Abdominal CT · axial plane, index 71 · 512x512 px · 68-year-old male patient
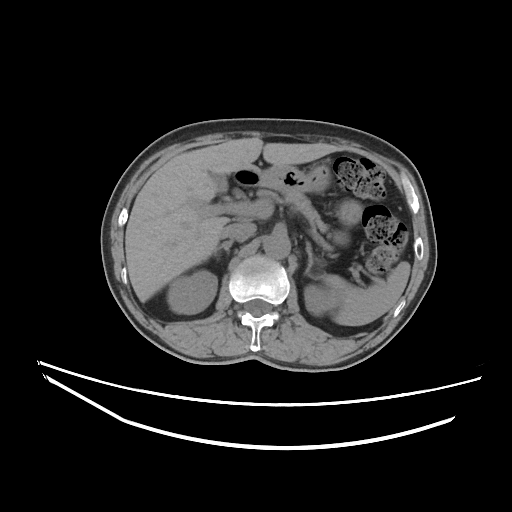

Coordinates as <box>x1,y1,x2,y2</box> in pixels. 11 labeled organs on this slice — spleen at <box>319,262,410,326</box>; right kidney at <box>167,270,217,313</box>; left kidney at <box>304,285,337,315</box>; gall bladder at <box>210,173,228,192</box>; liver at <box>125,137,340,302</box>; stomach at <box>234,163,363,244</box>; aorta at <box>263,234,290,259</box>; inferior vena cava at <box>221,222,256,241</box>; pancreas at <box>283,193,328,233</box>; right adrenal gland at <box>214,240,233,256</box>; left adrenal gland at <box>305,242,318,275</box>.